CT abdomen · axial view · acquired on SOMATOM Force
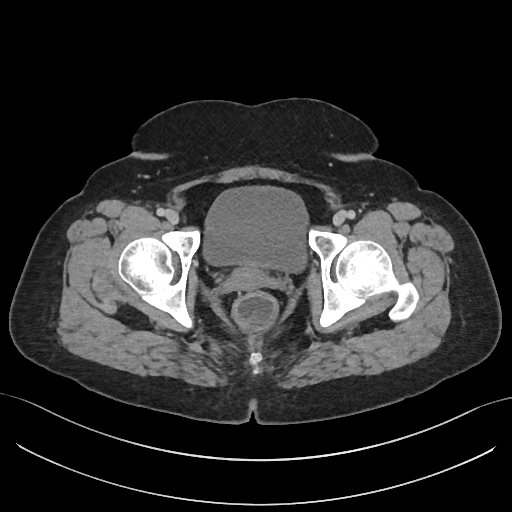
Coordinates as <box>x1,y1,x2,y2</box> in pixels.
Organ bounding boxes:
- prostate/uterus: <box>227,267,266,290</box>
- bladder: <box>204,187,307,271</box>